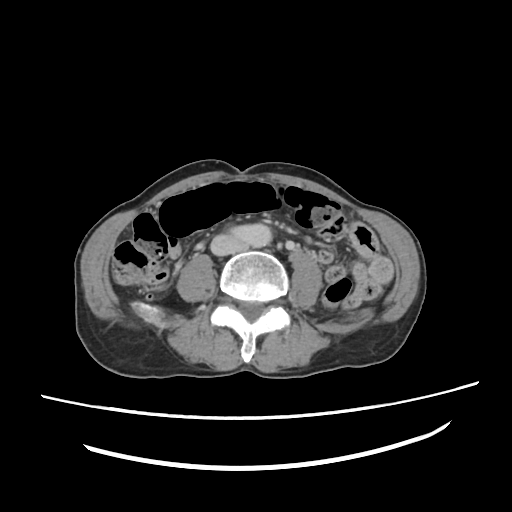 Computed tomography, abdomen; axial view; W/L 400/40 HU; 72-year-old male patient
{"organs":{"inferior vena cava":[211,233,248,254]}}